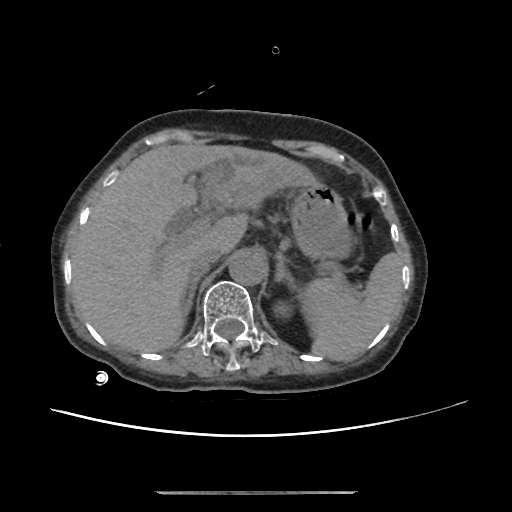
Abdominal CT · axial plane, index 266 · soft-tissue window (W 400 / L 40)
Boxes are (x1, y1, x2, y2) in pixels.
Organ bounding boxes:
- spleen: (299, 252, 402, 360)
- left kidney: (275, 302, 288, 315)
- liver: (71, 143, 317, 351)
- stomach: (290, 181, 352, 259)
- aorta: (228, 252, 266, 285)
- inferior vena cava: (190, 248, 221, 275)
- right adrenal gland: (184, 275, 201, 314)
- left adrenal gland: (275, 253, 295, 288)